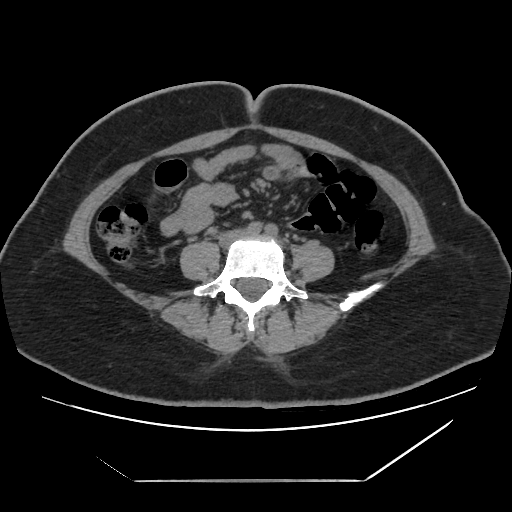
Computed tomography, abdomen. Axial slice 142/345. soft-tissue window. scan has 15 labeled organs (counted over the whole 3D scan, not this slice; an organ is boxed only where this slice passes through it)
Boxes: x1 y1 x2 y2 (pixel coords, space-separated).
inferior vena cava: 224 230 242 239